Computed tomography, abdomen. axial view. soft-tissue window. 62-year-old male patient. 13 organs annotated in this scan (that count is for the whole scan; organs this slice misses have no box)
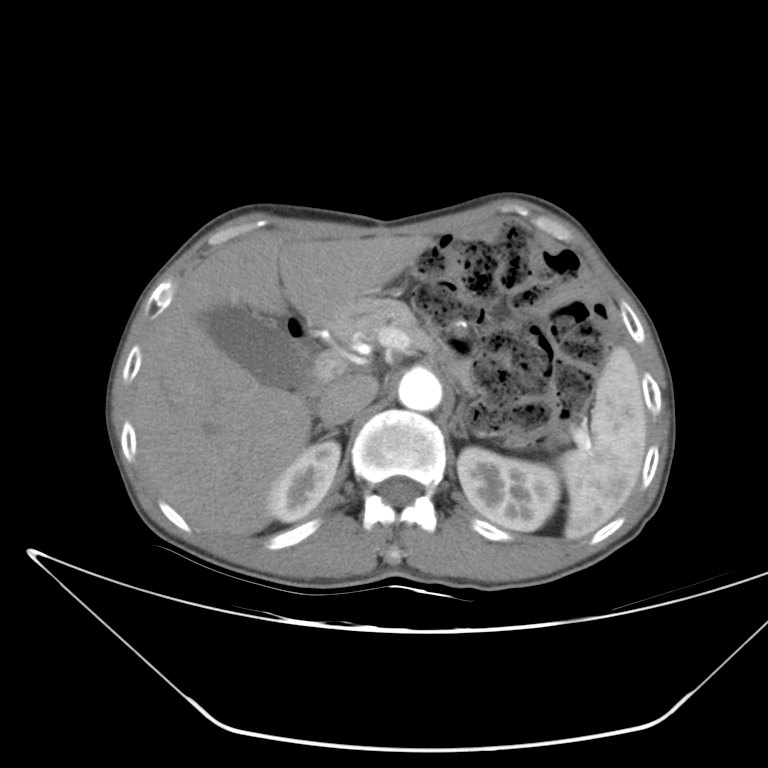
Bounding boxes as [x1, y1, x2, y2] in pixel coordinates. 11 labeled organs on this slice — pancreas at [325, 297, 466, 378]; gall bladder at [201, 305, 310, 390]; spleen at [558, 346, 647, 539]; inferior vena cava at [317, 374, 378, 424]; liver at [132, 231, 432, 536]; left adrenal gland at [450, 401, 484, 437]; right adrenal gland at [314, 422, 338, 434]; right kidney at [267, 440, 340, 522]; aorta at [398, 367, 442, 411]; duodenum at [292, 321, 311, 360]; left kidney at [457, 447, 559, 531].